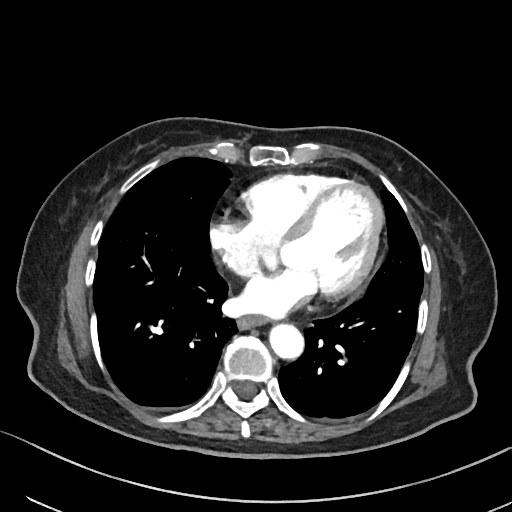

Abdominal CT; this slice is in the lower chest, just above the liver · axial plane, index 219 · soft-tissue window (W 400 / L 40) · SOMATOM Force scanner
No part of the heart or lungs is labeled in this dataset, so neither has a box here.
<organs><organ name="esophagus" x1="237" y1="315" x2="266" y2="327"/><organ name="aorta" x1="268" y1="322" x2="305" y2="359"/></organs>